CT, abdomen/pelvis · axial view · soft-tissue window · 768x768 px · male patient aged 90 or older · scan has 15 labeled organs (a whole-scan count: organs this slice does not pass through have no box)
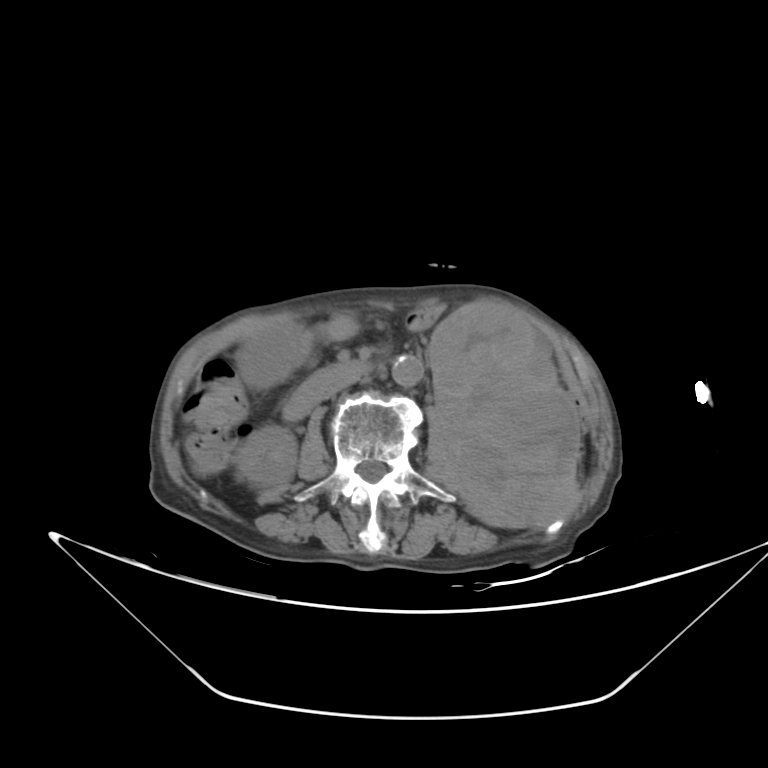
<organs><organ name="stomach" x1="238" y1="323" x2="299" y2="386"/><organ name="right kidney" x1="234" y1="424" x2="298" y2="484"/><organ name="aorta" x1="392" y1="355" x2="425" y2="389"/><organ name="duodenum" x1="283" y1="358" x2="373" y2="421"/><organ name="left kidney" x1="429" y1="297" x2="581" y2="528"/><organ name="inferior vena cava" x1="323" y1="375" x2="358" y2="401"/></organs>